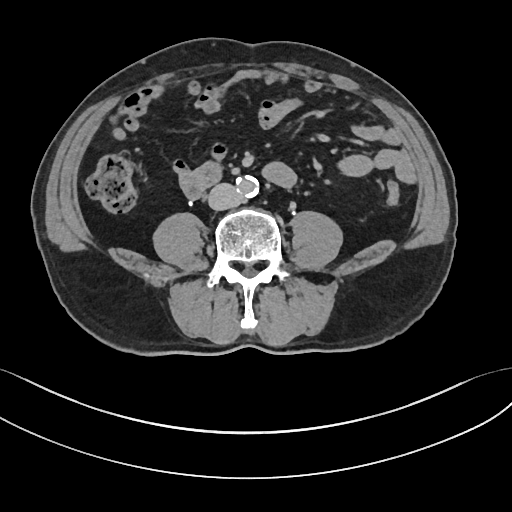
CT, abdomen/pelvis. Axial slice 115/224. SOMATOM Force scanner. scan has 15 labeled organs (a whole-scan count: organs this slice does not pass through have no box)
{"organs":{"inferior vena cava":[208,183,242,210],"aorta":[238,176,259,197],"duodenum":[180,162,221,197]}}